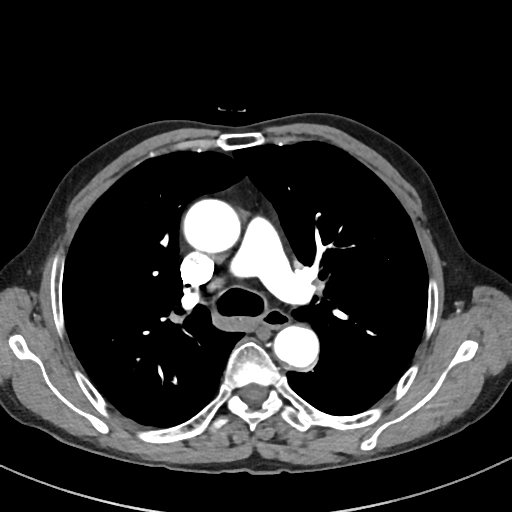

CT of the abdomen extending into the chest, slice through the chest — Axial slice 255/303 — W/L 400/40 HU — 15 organs annotated in this scan (counted over the whole 3D scan, not this slice; an organ is boxed only where this slice passes through it)
At this level of the chest no structure but the esophagus and the aorta has a label in this dataset, and those two are boxed only where they are labeled.
Box edges are left/top/right/bottom in pixels.
Organ bounding boxes:
- esophagus: left=261, top=310, right=289, bottom=328
- aorta: left=183, top=199, right=240, bottom=253
- aorta: left=274, top=326, right=318, bottom=368